Computed tomography, abdomen · axial view · 512x512 px
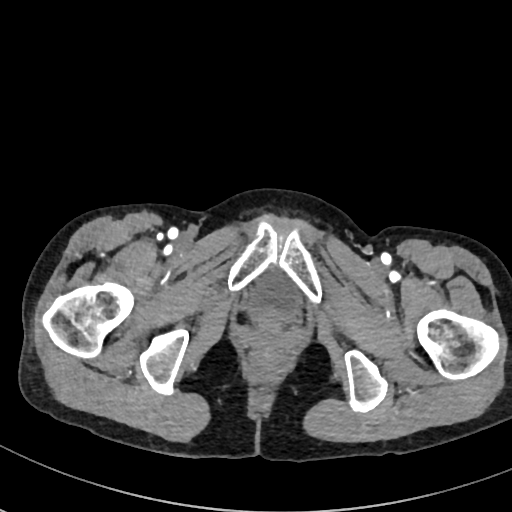 Bounding boxes in pixels, one row per box: x1, y1 is the top-left corner and x2, y2 the bottom-right.
| organ | x1 | y1 | x2 | y2 |
|---|---|---|---|---|
| bladder | 247 | 271 | 301 | 319 |